Abdominal CT. axial view. 512x512 px. 62-year-old male patient
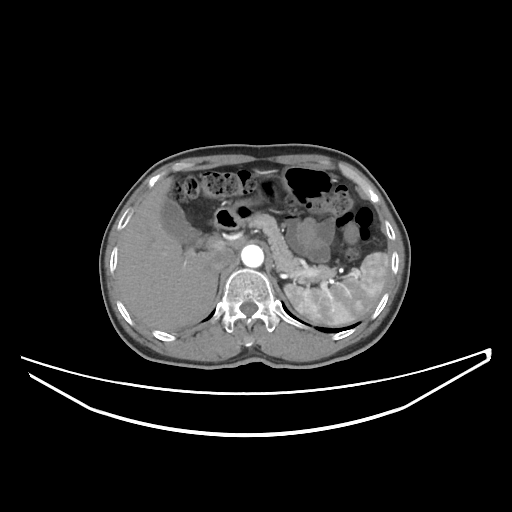 <organs><organ name="liver" x1="116" y1="178" x2="242" y2="330"/><organ name="spleen" x1="284" y1="252" x2="389" y2="326"/><organ name="aorta" x1="241" y1="245" x2="264" y2="267"/><organ name="gall bladder" x1="161" y1="198" x2="204" y2="245"/><organ name="duodenum" x1="213" y1="208" x2="239" y2="229"/><organ name="stomach" x1="229" y1="165" x2="334" y2="224"/><organ name="pancreas" x1="249" y1="212" x2="336" y2="281"/><organ name="inferior vena cava" x1="211" y1="249" x2="235" y2="271"/></organs>